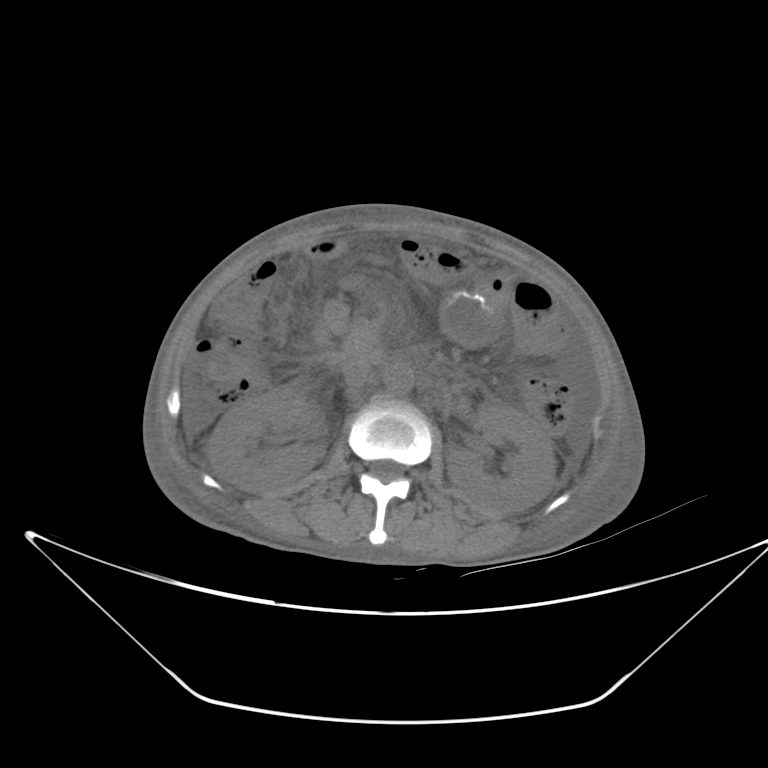

CT, abdomen/pelvis · Axial slice 65/105 · abdomen soft-tissue window · 56-year-old female patient
Boxes are (x1, y1, x2, y2) in pixels. Labeled organs on this slice: right kidney at (205, 385, 328, 491), left kidney at (445, 402, 556, 513), stomach at (441, 291, 499, 346), aorta at (384, 362, 413, 395), inferior vena cava at (343, 360, 373, 402), pancreas at (344, 323, 378, 356), duodenum at (324, 302, 348, 336).